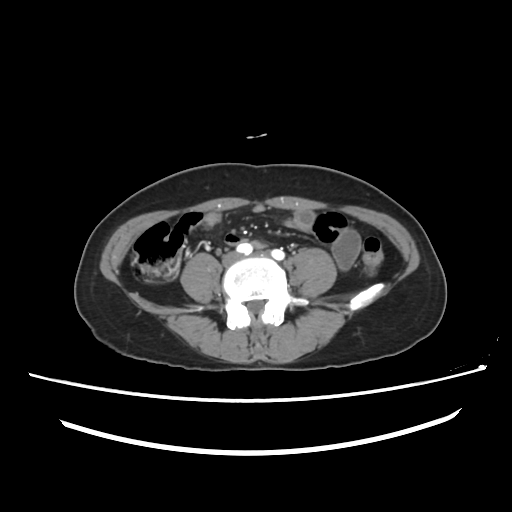

CT abdomen · axial view · 45-year-old female patient
{"organs":{"aorta":[243,246,249,250]}}